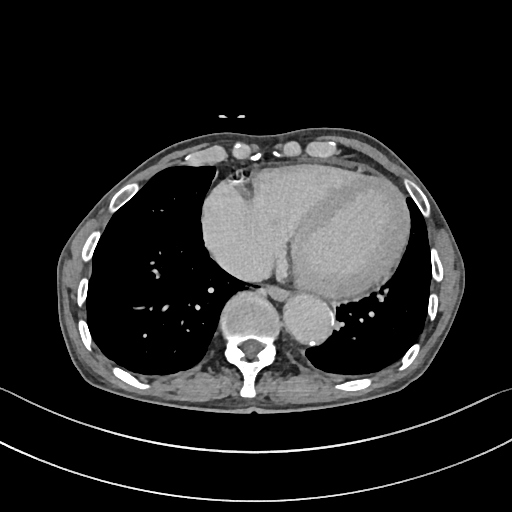

Lower-chest slice from an abdominal CT, just above the liver and spleen. axial view
The heart and lungs are never labeled in this dataset, so they have no box on this slice.
Boxes: x1 y1 x2 y2 (pixel coords, space-separated).
esophagus: 265 285 289 300
aorta: 283 293 334 345
inferior vena cava: 215 247 272 281